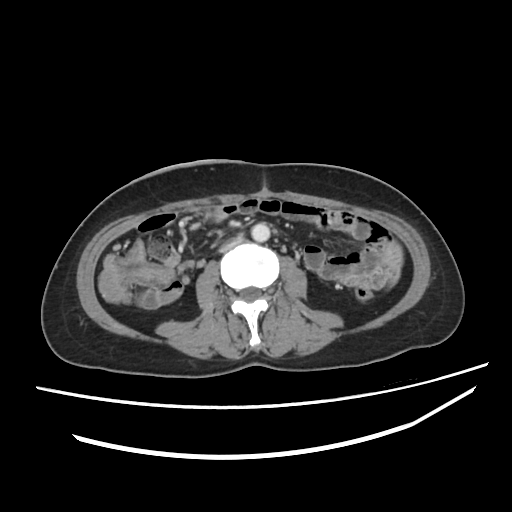
CT abdomen · Axial slice 48/118 · W/L 400/40 HU · 512x512 px · Aquilion ONE scanner
Boxes: x1:y1:x2:y2 in pixels.
aorta: 251:223:270:242
inferior vena cava: 219:235:243:252